Abdominal CT reaching into the chest; this slice is in the chest — axial plane, index 285 — soft-tissue window (W 400 / L 40) — 512x512 px — 15 organs annotated in this scan (a whole-scan count: organs this slice does not pass through have no box)
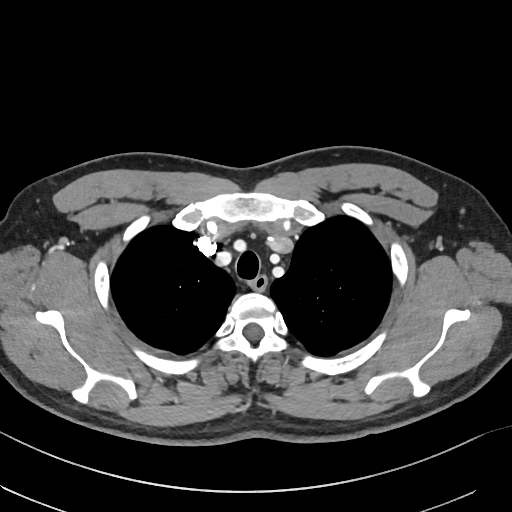

At this level of the chest no structure but the esophagus and the aorta has a label in this dataset, and those two are boxed only where they are labeled.
Boxes: x1:y1:x2:y2 in pixels.
Organ bounding boxes:
- esophagus: 249:275:267:290